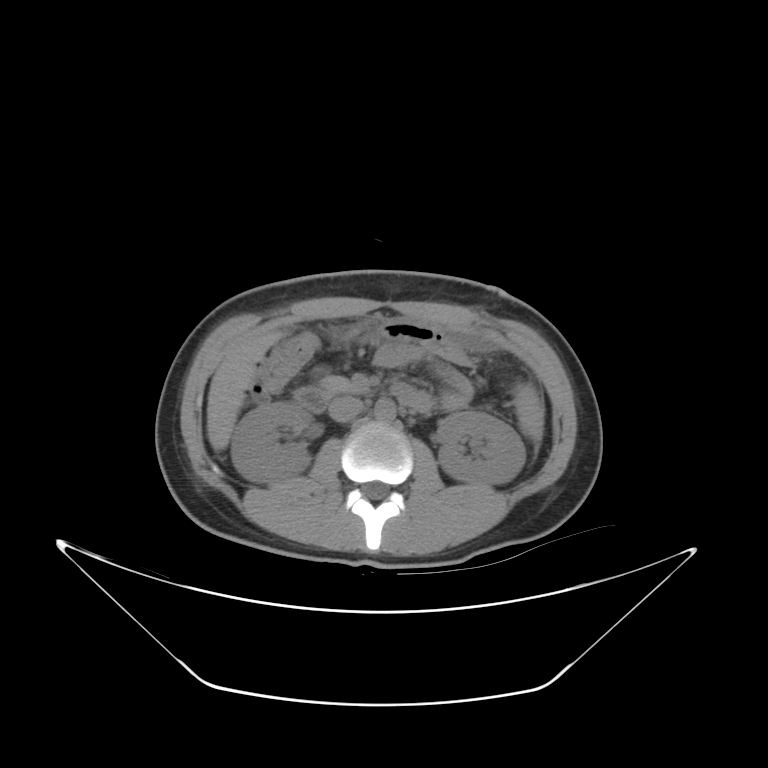
Computed tomography, abdomen · axial plane, index 65 · 768x768 px
Coordinates as <box>x1,y1,x2,y2</box> in pixels. The annotated organs in this slice are: stomach at <box>371,324,472,364</box>, pancreas at <box>317,377,366,392</box>, left kidney at <box>435,414,523,481</box>, spleen at <box>515,383,542,437</box>, right kidney at <box>231,403,312,479</box>, duodenum at <box>291,383,430,413</box>, liver at <box>207,327,285,450</box>, aorta at <box>374,402,395,423</box>, inferior vena cava at <box>327,395,362,422</box>.